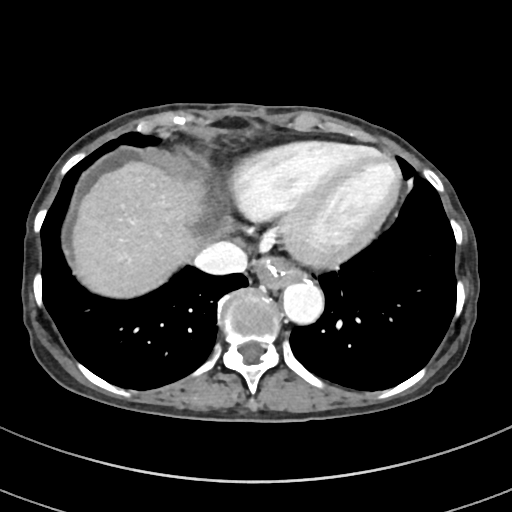 CT abdomen; axial view; soft-tissue window; acquired on SOMATOM Force
One row per box, in pixels: columns x1 and y1 give the top-left corner, x2 and y2 the bottom-right.
| organ | x1 | y1 | x2 | y2 |
|---|---|---|---|---|
| esophagus | 254 | 256 | 303 | 289 |
| liver | 73 | 164 | 208 | 297 |
| aorta | 282 | 283 | 323 | 325 |
| inferior vena cava | 195 | 241 | 248 | 274 |